Computed tomography, abdomen; axial plane, index 97; 768x768 px; 53-year-old male patient; 15 organs annotated in this scan (a whole-scan count: organs this slice does not pass through have no box)
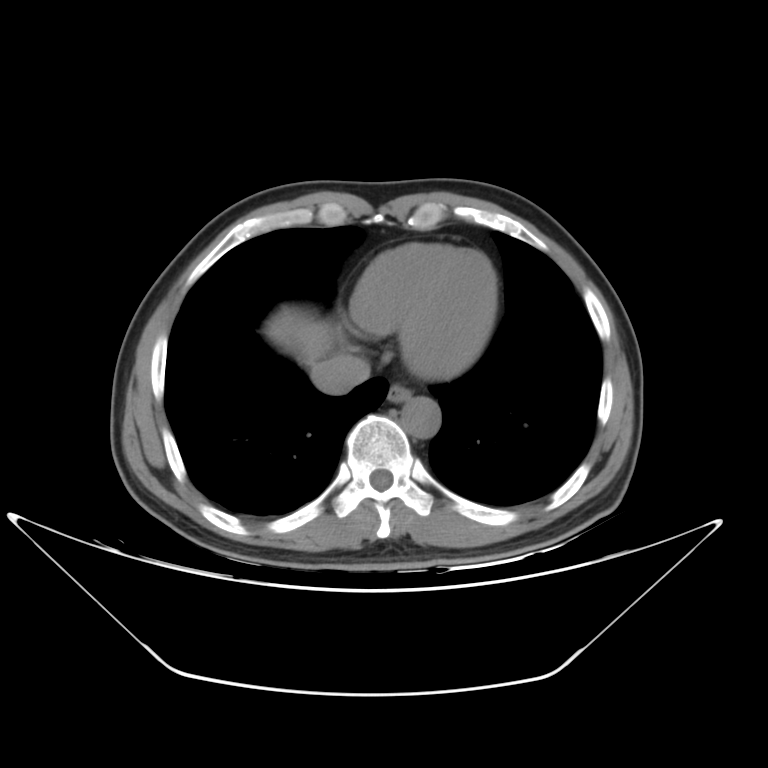
Organ boxes in pixel coordinates; each row gives the top-left (x1, y1) and bottom-right (x2, y2) corners.
| organ | x1 | y1 | x2 | y2 |
|---|---|---|---|---|
| liver | 269 | 313 | 334 | 368 |
| esophagus | 388 | 383 | 412 | 403 |
| inferior vena cava | 316 | 352 | 369 | 395 |
| aorta | 401 | 396 | 441 | 439 |